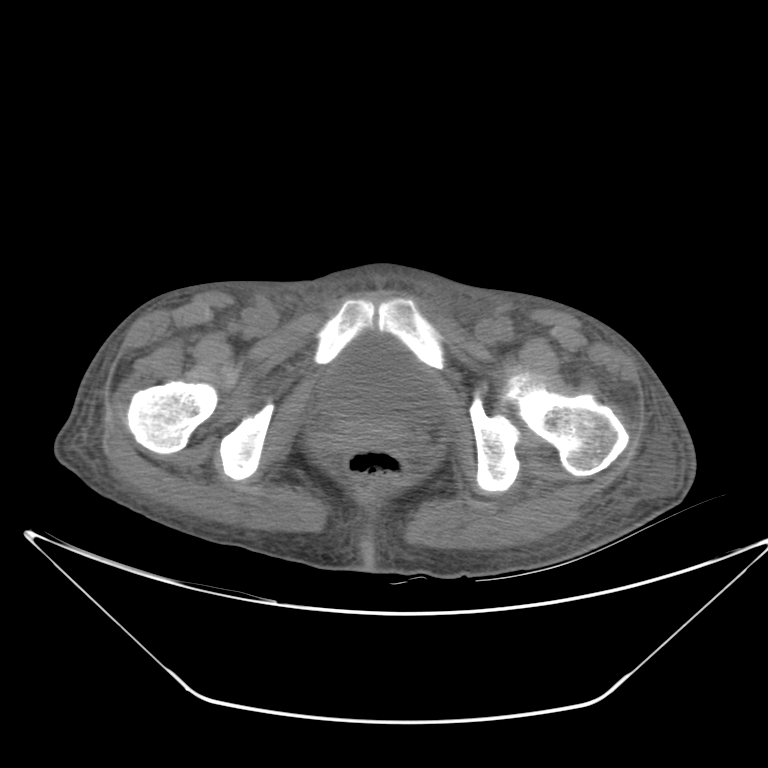
CT, abdomen/pelvis — axial view — 768x768 px
<organs><organ name="bladder" x1="321" y1="337" x2="439" y2="422"/></organs>